CT abdomen. Axial slice 14/97. 512x512 px. 49-year-old female patient. 15 organs annotated in this scan (that count is for the whole scan; organs this slice misses have no box)
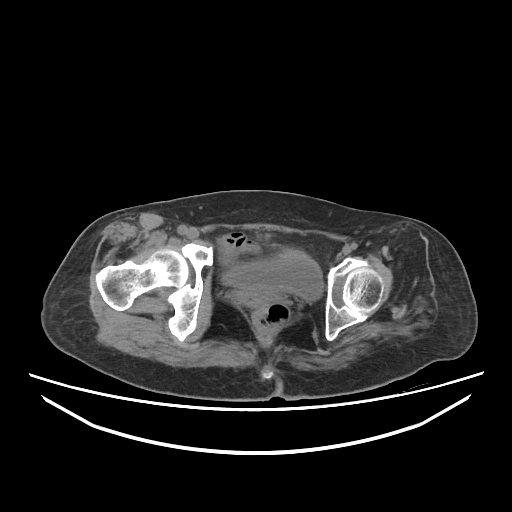 {"organs":{"bladder":[222,249,323,300]}}